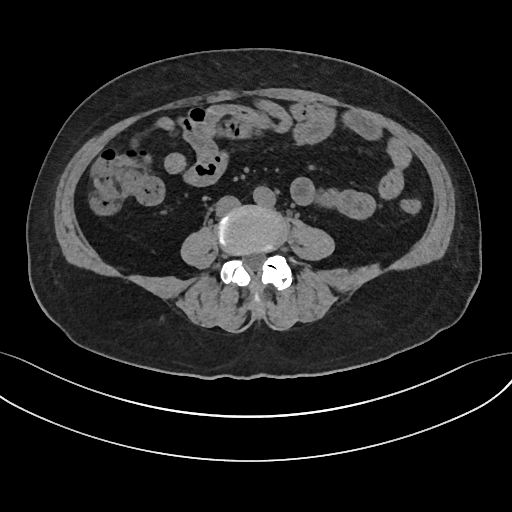
Computed tomography, abdomen — axial view — soft-tissue window (W 400 / L 40) — 512x512 px — SOMATOM Force scanner — scan has 15 labeled organs (counted over the whole 3D scan, not this slice; an organ is boxed only where this slice passes through it)
Bounding boxes as [x1, y1, x2, y2] in pixel coordinates. 2 labeled organs on this slice — aorta at [253, 186, 275, 206]; inferior vena cava at [216, 196, 239, 215].